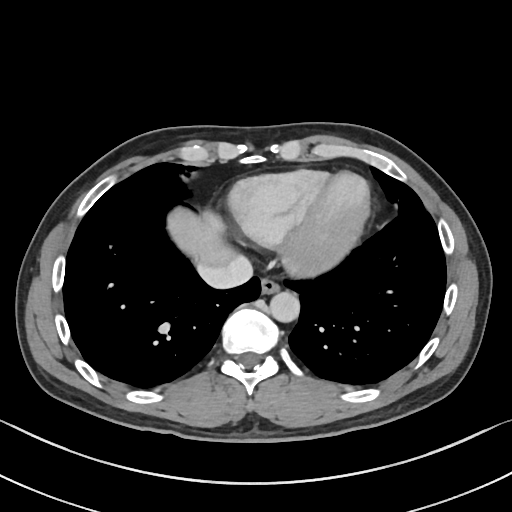
Computed tomography, abdomen · axial view · abdomen soft-tissue window · scan has 15 labeled organs (a whole-scan count: organs this slice does not pass through have no box)
Boxes: x1:y1:x2:y2 in pixels.
esophagus: 261:274:279:293
liver: 168:208:244:265
aorta: 270:291:299:321
inferior vena cava: 197:256:253:288